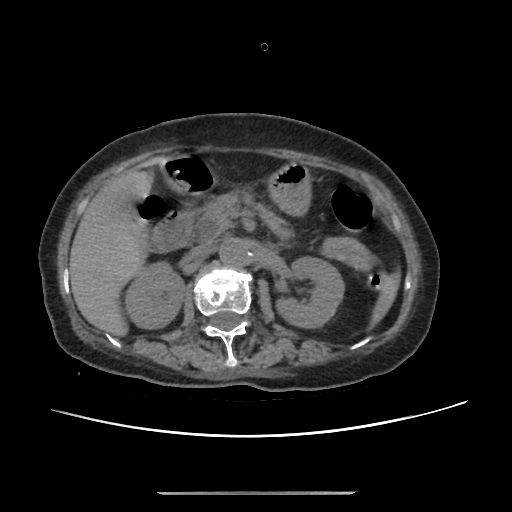 CT abdomen; axial plane, index 235; soft-tissue window (W 400 / L 40); scan has 14 labeled organs (counted over the whole 3D scan, not this slice; an organ is boxed only where this slice passes through it)
One row per box, in pixels: columns x1 and y1 give the top-left corner, x2 and y2 the bottom-right.
| organ | x1 | y1 | x2 | y2 |
|---|---|---|---|---|
| spleen | 373 | 276 | 397 | 322 |
| right kidney | 124 | 260 | 184 | 328 |
| left kidney | 276 | 256 | 344 | 327 |
| liver | 69 | 170 | 149 | 335 |
| stomach | 165 | 163 | 309 | 214 |
| aorta | 219 | 238 | 248 | 266 |
| inferior vena cava | 187 | 243 | 209 | 260 |
| pancreas | 197 | 194 | 288 | 236 |
| duodenum | 148 | 154 | 211 | 252 |